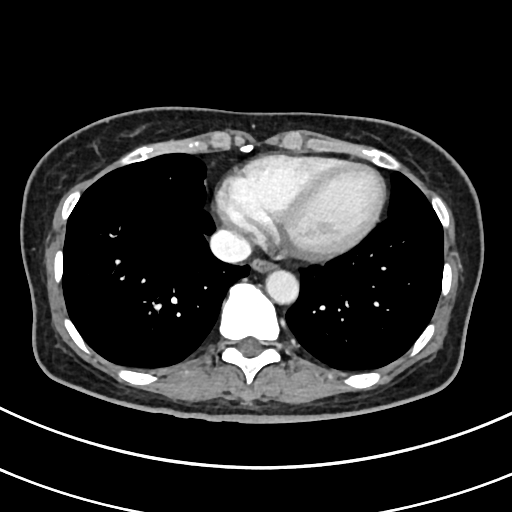

Abdominal CT; this slice is in the lower chest, just above the liver · Axial slice 191/192 · soft-tissue window
Of the structures in the chest, this dataset labels only the esophagus, the aorta and the inferior vena cava; the heart and lungs have no label.
{"organs":{"esophagus":[251,259,276,272],"aorta":[265,270,298,304],"inferior vena cava":[210,229,251,263]}}